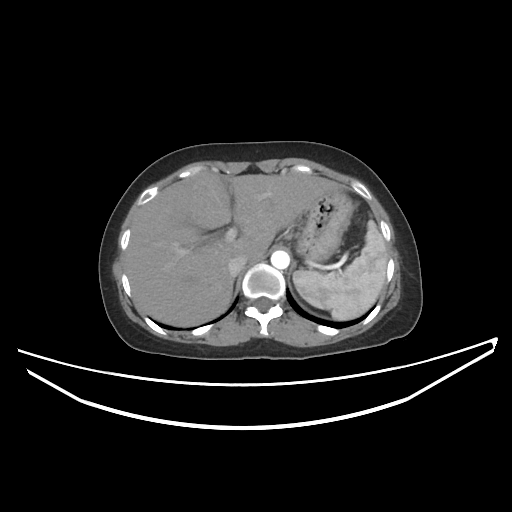 CT abdomen — axial plane, index 78 — soft-tissue window (W 400 / L 40) — acquired on Aquilion ONE
{"organs":{"spleen":[293,220,387,320],"liver":[124,171,339,326],"stomach":[296,188,354,262],"aorta":[271,251,289,269],"inferior vena cava":[228,255,247,275]}}